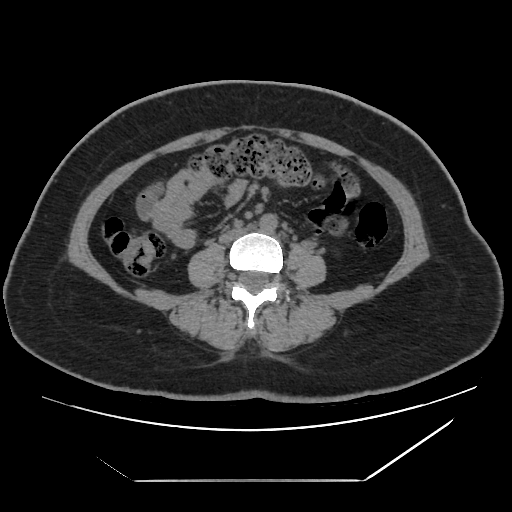
CT abdomen. Axial slice 160/345. 512x512 px
Bounding boxes as [x1, y1, x2, y2] in pixel coordinates.
aorta: [259, 214, 277, 233]
inferior vena cava: [219, 226, 251, 243]